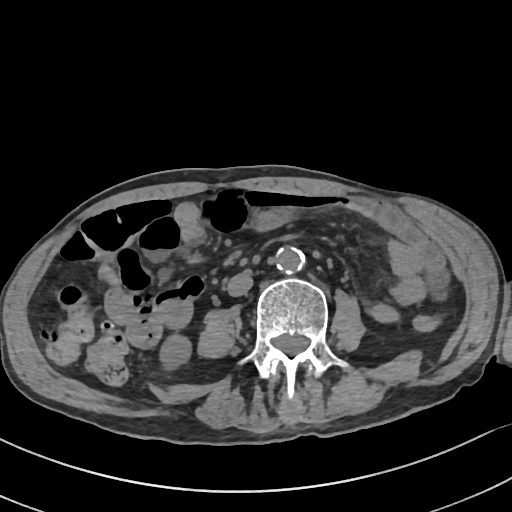
CT abdomen. axial view. abdomen soft-tissue window. 512x512 px. 15 organs annotated in this scan (counted over the whole 3D scan, not this slice; an organ is boxed only where this slice passes through it)
{"organs":{"right kidney":[159,334,191,370],"aorta":[274,246,304,273],"inferior vena cava":[227,272,252,296]}}